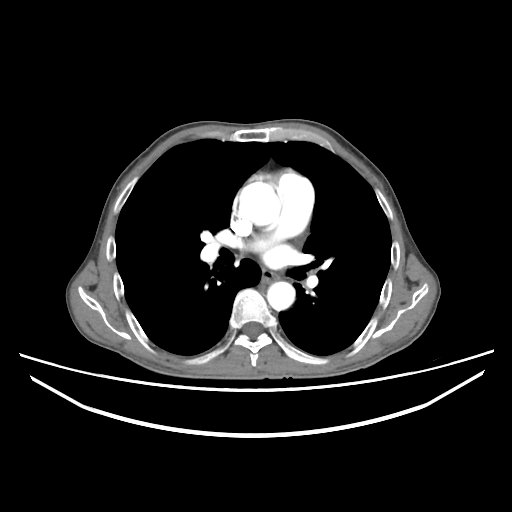 Chest-level slice from an abdominal CT that extends up into the chest. axial view. soft-tissue window, W/L 400/40
At this level of the chest this dataset labels only the esophagus and the aorta, and each is boxed only where it is labeled; the heart and lungs are never labeled.
Box edges are left/top/right/bottom in pixels.
esophagus: left=262, top=267, right=276, bottom=282
aorta: left=239, top=182, right=280, bottom=225
aorta: left=267, top=281, right=294, bottom=310